CT abdomen. Axial slice 128/218
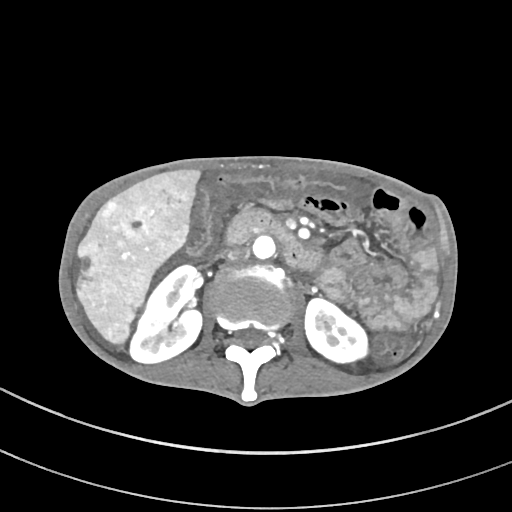
Bounding boxes as [x1, y1, x2, y2] in pixel coordinates.
right kidney: [129, 264, 202, 362]
left kidney: [303, 297, 371, 364]
liver: [77, 169, 200, 344]
aorta: [252, 234, 278, 261]
inferior vena cava: [227, 246, 249, 261]
duodenum: [224, 210, 322, 269]